Abdominal CT; axial plane, index 40; abdomen soft-tissue window; 768x768 px
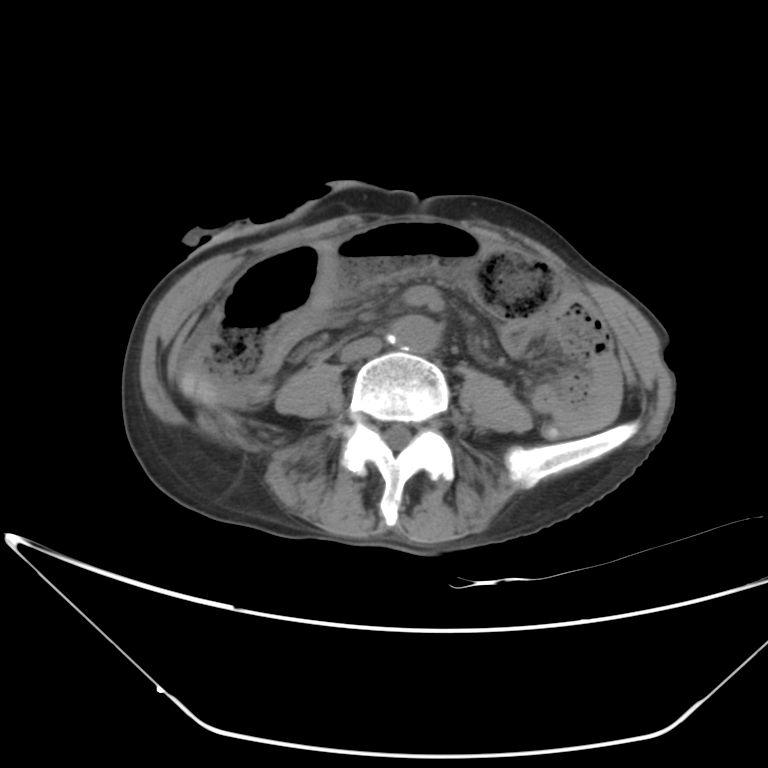

Boxes: x1:y1:x2:y2 in pixels.
aorta: 390:315:439:353
inferior vena cava: 341:336:382:361